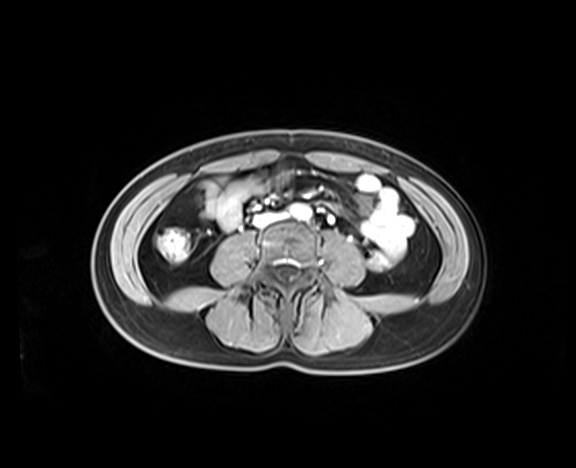 MRI, abdomen. axial view. percentile-normalized. 576x468 px. scan has 13 labeled organs (counted over the whole 3D scan, not this slice; an organ is boxed only where this slice passes through it)
Organ boxes in pixel coordinates; each row gives the top-left (x1, y1) and bottom-right (x2, y2) corners.
| organ | x1 | y1 | x2 | y2 |
|---|---|---|---|---|
| inferior vena cava | 255 | 214 | 279 | 225 |
| aorta | 291 | 204 | 310 | 218 |